CT, abdomen/pelvis. axial view. 768x768 px
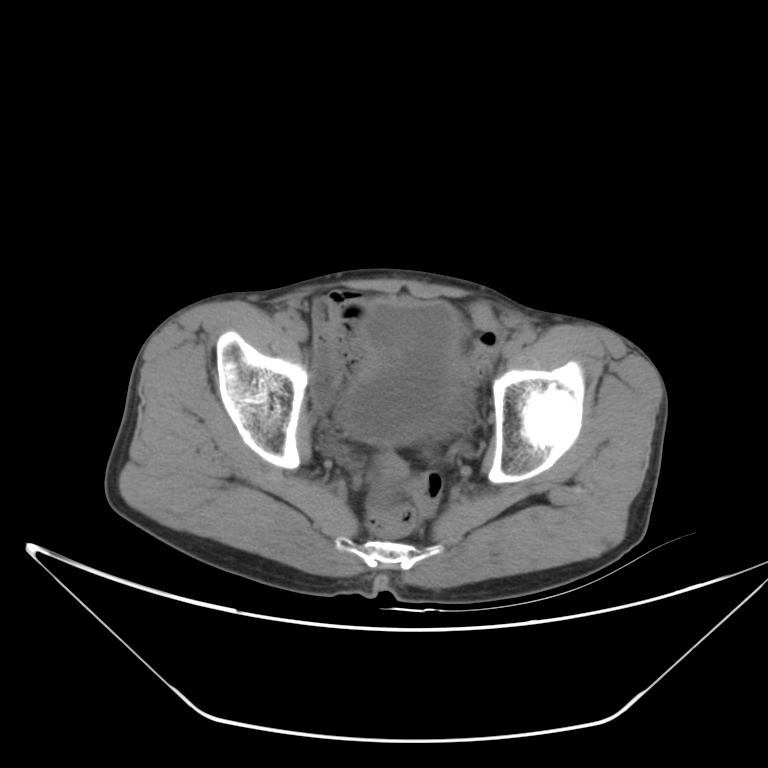

<organs><organ name="bladder" x1="340" y1="300" x2="470" y2="443"/></organs>